Abdominal CT — axial view — soft-tissue window — 71-year-old female patient — scan has 15 labeled organs (that count is for the whole scan; organs this slice misses have no box)
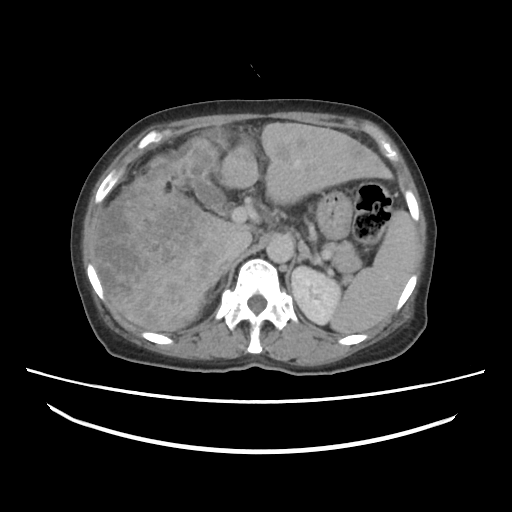
{"organs":{"spleen":[329,209,416,333],"left kidney":[291,267,340,324],"gall bladder":[183,144,226,211],"liver":[92,121,392,331],"stomach":[318,190,351,241],"aorta":[266,234,292,262],"inferior vena cava":[224,232,252,260],"pancreas":[324,241,361,279],"right adrenal gland":[209,262,231,291],"left adrenal gland":[297,244,316,264]}}